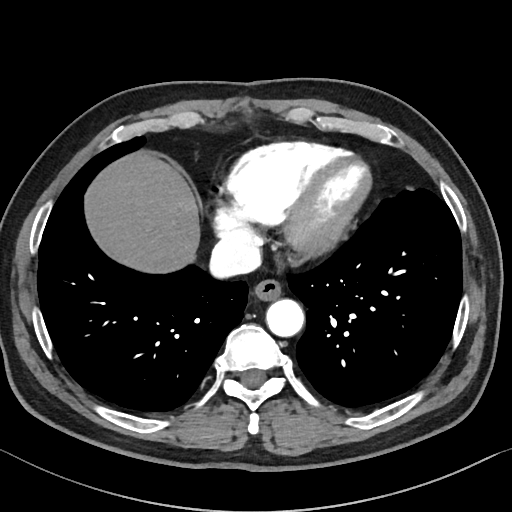

CT abdomen; axial view; soft-tissue window (W 400 / L 40); acquired on SOMATOM Force
{"organs":{"esophagus":[252,280,281,301],"liver":[85,153,199,272],"aorta":[266,300,304,337],"inferior vena cava":[211,239,261,275]}}